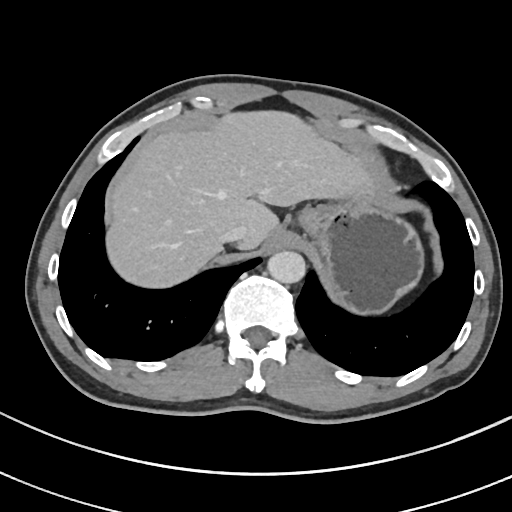 Computed tomography, abdomen — Axial slice 160/298 — soft-tissue window
Boxes: x1:y1:x2:y2 in pixels.
liver: 106:110:376:287
stomach: 298:182:424:313
aorta: 267:250:305:283
inferior vena cava: 220:226:247:242